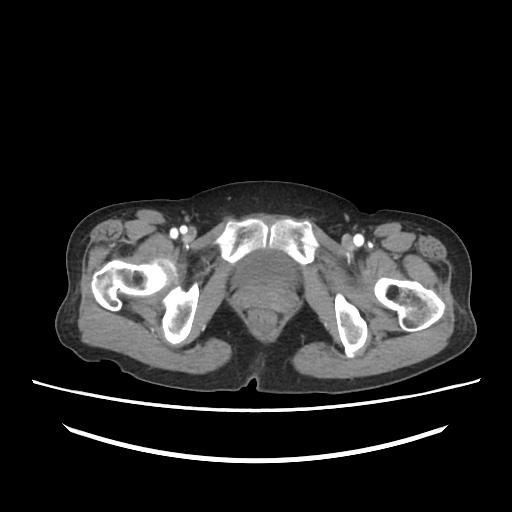

CT abdomen. axial view. 15 organs annotated in this scan (counted over the whole 3D scan, not this slice; an organ is boxed only where this slice passes through it)
Boxes are (x1, y1, x2, y2) in pixels.
Organ bounding boxes:
- bladder: (233, 250, 295, 287)